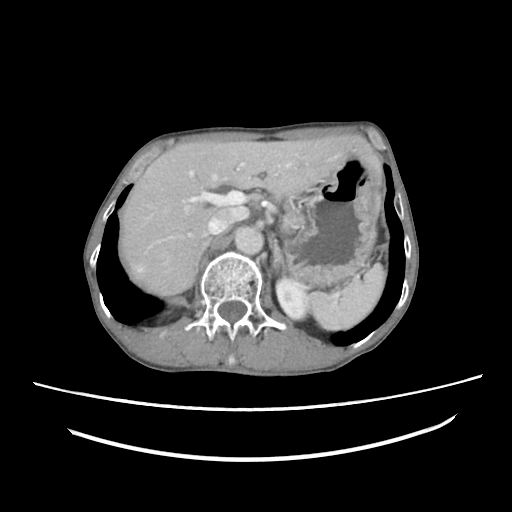

CT abdomen. axial view
Bounding boxes in pixels, one row per box: x1, y1 is the top-left corner and x2, y2 the bottom-right.
| organ | x1 | y1 | x2 | y2 |
|---|---|---|---|---|
| spleen | 308 | 263 | 385 | 330 |
| left kidney | 276 | 277 | 309 | 319 |
| liver | 119 | 135 | 381 | 295 |
| stomach | 284 | 157 | 378 | 286 |
| aorta | 234 | 226 | 263 | 254 |
| inferior vena cava | 207 | 207 | 247 | 234 |
| pancreas | 285 | 208 | 298 | 228 |
| right adrenal gland | 194 | 237 | 211 | 281 |
| left adrenal gland | 273 | 243 | 285 | 275 |